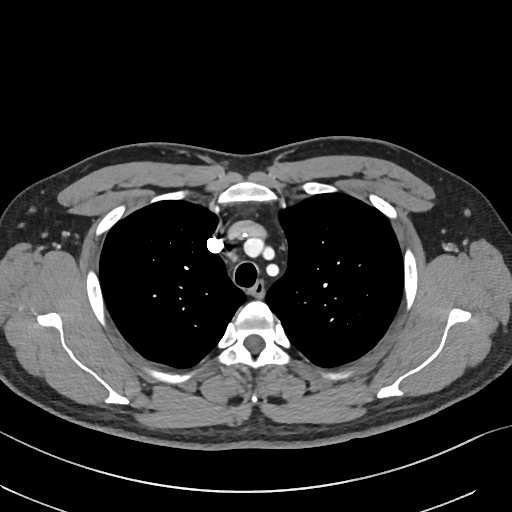 Chest-level slice from an abdominal CT that extends up into the chest — axial plane, index 275 — soft-tissue window (W 400 / L 40) — 512x512 px — 15 organs annotated in this scan (a whole-scan count: organs this slice does not pass through have no box)
On a slice this high in the chest, this dataset labels only the esophagus and the aorta, and each is boxed only where it is labeled; the heart, lungs and other chest structures are not labeled.
Boxes are (x1, y1, x2, y2) in pixels.
esophagus: (249, 281, 265, 296)